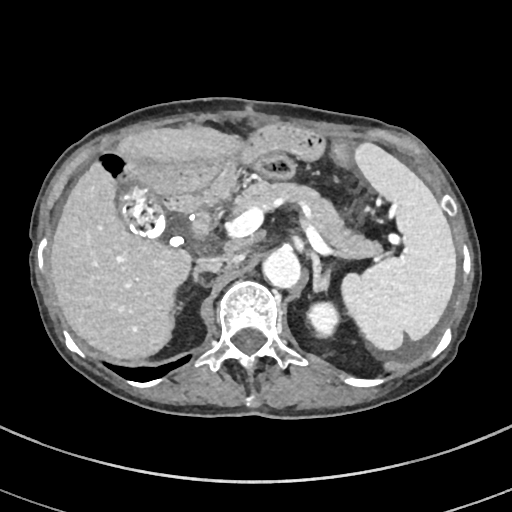
Computed tomography, abdomen. axial view. W/L 400/40 HU. 512x512 px. scan has 14 labeled organs (a whole-scan count: organs this slice does not pass through have no box)
One row per box, in pixels: columns x1 and y1 give the top-left corner, x2 and y2 the bottom-right.
| organ | x1 | y1 | x2 | y2 |
|---|---|---|---|---|
| spleen | 340 | 143 | 456 | 350 |
| left kidney | 307 | 302 | 338 | 336 |
| gall bladder | 119 | 181 | 165 | 237 |
| liver | 50 | 125 | 239 | 361 |
| aorta | 263 | 249 | 301 | 289 |
| inferior vena cava | 200 | 257 | 236 | 263 |
| pancreas | 231 | 181 | 382 | 258 |
| right adrenal gland | 180 | 264 | 218 | 306 |
| left adrenal gland | 311 | 253 | 332 | 291 |
| duodenum | 191 | 210 | 211 | 238 |